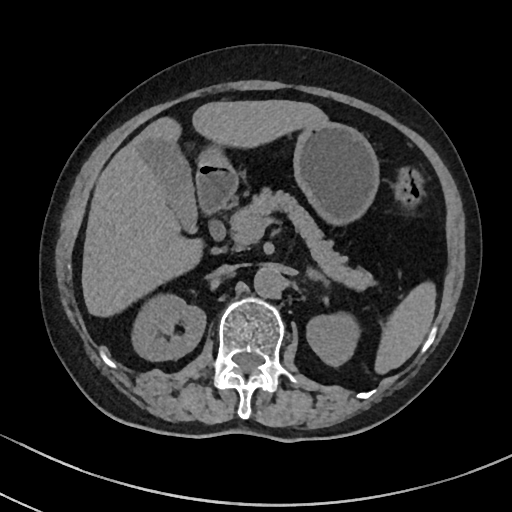

CT, abdomen/pelvis. Axial slice 147/202. W/L 400/40 HU
Organ boxes in pixel coordinates; each row gives the top-left (x1, y1) and bottom-right (x2, y2) corners.
| organ | x1 | y1 | x2 | y2 |
|---|---|---|---|---|
| pancreas | 217 | 188 | 373 | 287 |
| gall bladder | 133 | 134 | 196 | 230 |
| liver | 81 | 99 | 326 | 315 |
| spleen | 376 | 284 | 434 | 373 |
| stomach | 197 | 121 | 377 | 222 |
| left kidney | 306 | 313 | 358 | 367 |
| aorta | 254 | 264 | 282 | 296 |
| right kidney | 133 | 296 | 206 | 359 |
| duodenum | 196 | 165 | 236 | 215 |
| left adrenal gland | 304 | 269 | 323 | 282 |
| inferior vena cava | 215 | 265 | 235 | 275 |